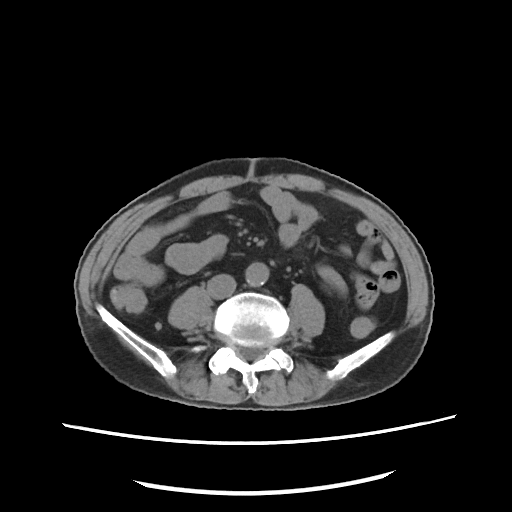
Abdominal CT — axial view — scan has 15 labeled organs (counted over the whole 3D scan, not this slice; an organ is boxed only where this slice passes through it)
Boxes: x1 y1 x2 y2 (pixel coords, space-separated).
aorta: 245 262 269 286
inferior vena cava: 207 274 236 299